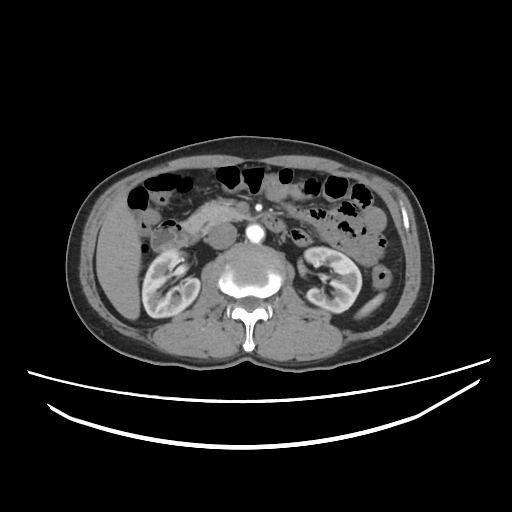 CT, abdomen/pelvis. Axial slice 32/109. soft-tissue window (W 400 / L 40). 63-year-old male patient
Boxes: x1:y1:x2:y2 in pixels. 8 labeled organs on this slice — left kidney at 304:247:361:312; aorta at 245:224:264:242; liver at 96:196:141:319; spleen at 356:293:384:318; duodenum at 150:215:285:251; right kidney at 142:249:200:317; inferior vena cava at 206:223:237:249; pancreas at 184:199:248:232.